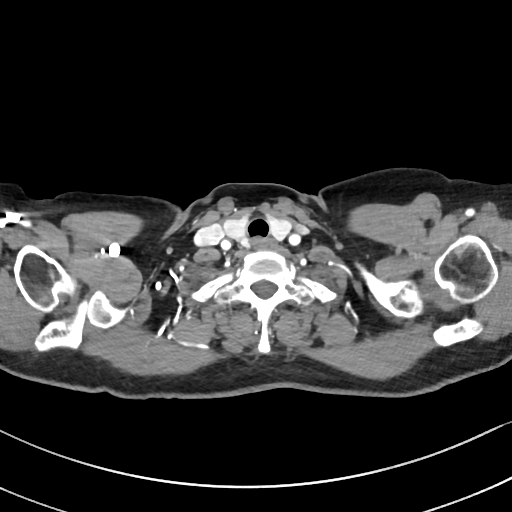
Abdominal CT reaching into the chest; this slice is in the chest; Axial slice 289/294; soft-tissue window; scan has 15 labeled organs (a whole-scan count: organs this slice does not pass through have no box)
At this level of the chest no structure but the esophagus and the aorta has a label in this dataset, and those two are boxed only where they are labeled.
Each box given as x1,y1,x2,y2.
Organ bounding boxes:
- esophagus: x1=251, y1=236, x2=273, y2=249